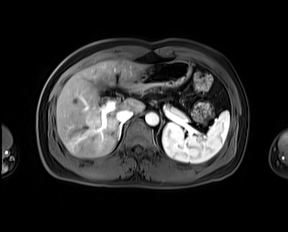 Magnetic resonance imaging, abdomen; axial view
Each box given as x1,y1,x2,y2.
pancreas: x1=165, y1=105, x2=188, y2=121
stomach: x1=130, y1=60, x2=190, y2=90
spleen: x1=162, y1=111, x2=229, y2=163
right adrenal gland: x1=116, y1=123, x2=122, y2=140
aorta: x1=145, y1=112, x2=158, y2=125
inferior vena cava: x1=116, y1=110, x2=133, y2=122
liver: x1=56, y1=60, x2=147, y2=158